Abdominal CT · axial view · W/L 400/40 HU
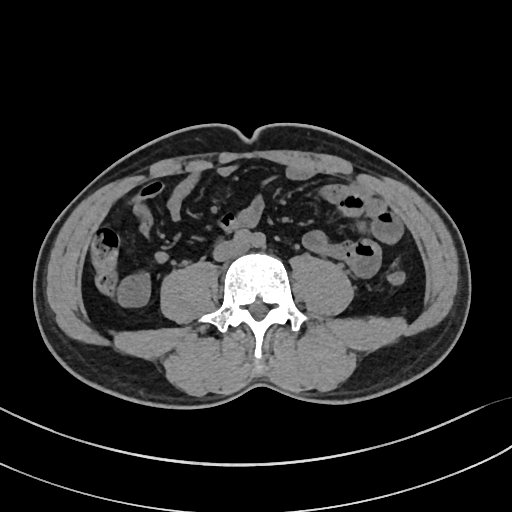

Boxes are (x1, y1, x2, y2) in pixels. 1 labeled organ on this slice — inferior vena cava at (214, 243, 243, 260).